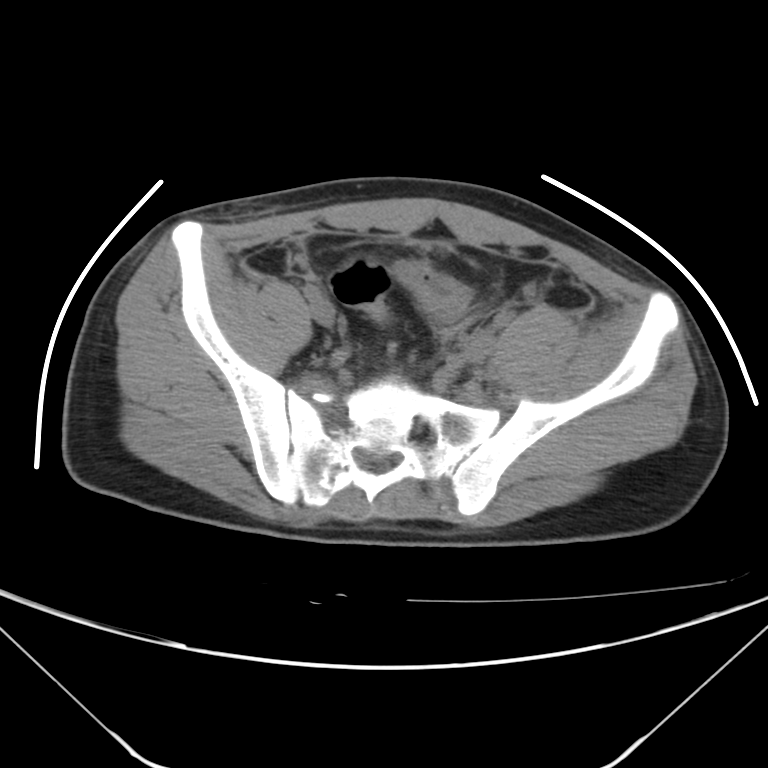
CT abdomen — axial view — soft-tissue window (W 400 / L 40) — 768x768 px — Brilliance16 scanner — scan has 15 labeled organs (counted over the whole 3D scan, not this slice; an organ is boxed only where this slice passes through it)
Boxes: x1 y1 x2 y2 (pixel coords, space-separated).
bladder: 391 260 470 321